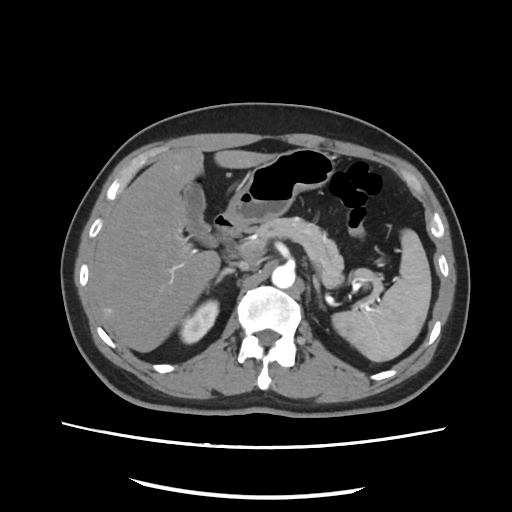

CT, abdomen/pelvis; axial view; 66-year-old male patient; scan has 15 labeled organs (that count is for the whole scan; organs this slice misses have no box)
Each box given as x1,y1,x2,y2. The annotated organs in this slice are: spleen at x1=331, y1=229, x2=430, y2=362, right kidney at x1=178, y1=300, x2=219, y2=343, gall bladder at x1=183, y1=182, x2=219, y2=247, liver at x1=92, y1=150, x2=275, y2=352, stomach at x1=226, y1=148, x2=332, y2=224, aorta at x1=272, y1=265, x2=296, y2=287, inferior vena cava at x1=226, y1=259, x2=261, y2=270, pancreas at x1=255, y1=217, x2=344, y2=287, right adrenal gland at x1=215, y1=266, x2=234, y2=283, left adrenal gland at x1=312, y1=275, x2=319, y2=293, duodenum at x1=214, y1=215, x2=243, y2=237.